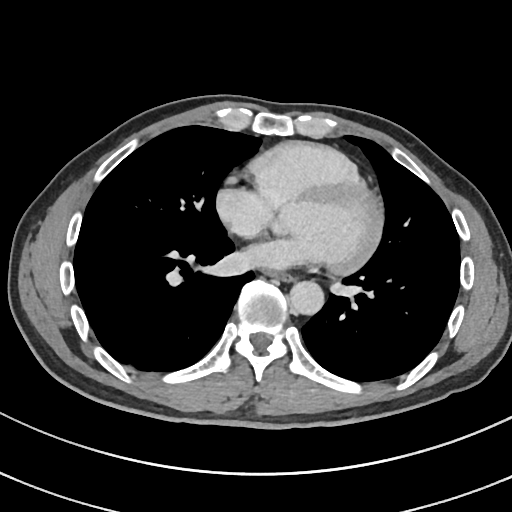 Abdominal CT; this slice is in the lower chest, just above the liver; axial plane, index 200; soft-tissue window, W/L 400/40
The heart and lungs are never labeled in this dataset, so they have no box on this slice.
Box edges are left/top/right/bottom in pixels.
Organ bounding boxes:
- esophagus: left=268, top=272, right=292, bottom=282
- aorta: left=289, top=281, right=324, bottom=315